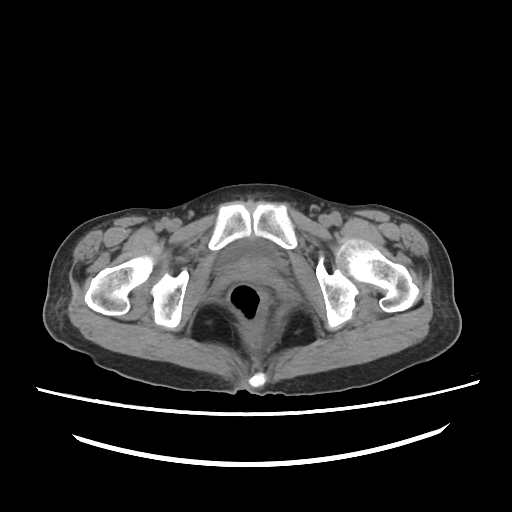 CT abdomen. axial view. W/L 400/40 HU. 58-year-old female patient. scan has 15 labeled organs (a whole-scan count: organs this slice does not pass through have no box)
<organs><organ name="bladder" x1="216" y1="240" x2="275" y2="270"/></organs>